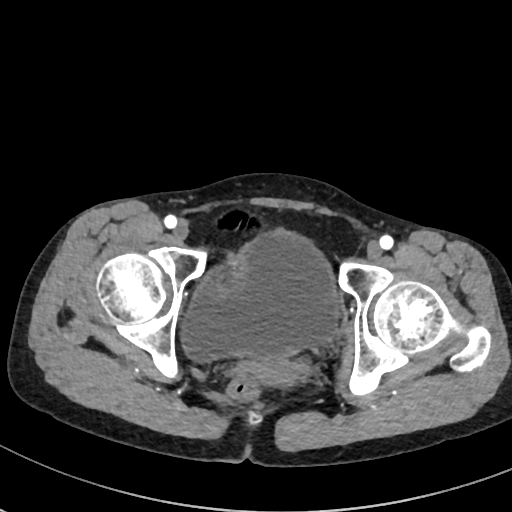
CT abdomen · axial view · W/L 400/40 HU
Boxes: x1 y1 x2 y2 (pixel coords, space-separated). 2 labeled organs on this slice — bladder at 178 232 342 363; prostate/uterus at 250 354 302 385.